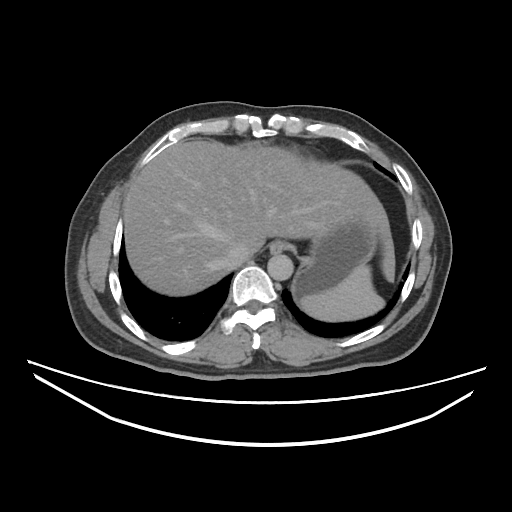

Abdominal CT. Axial slice 105/115. soft-tissue window. 55-year-old male patient
Boxes are (x1, y1, x2, y2) in pixels.
esophagus: (270, 240, 283, 252)
aorta: (267, 253, 293, 280)
liver: (123, 140, 395, 296)
spleen: (296, 263, 385, 322)
stomach: (294, 208, 377, 296)
inferior vena cava: (212, 242, 246, 267)